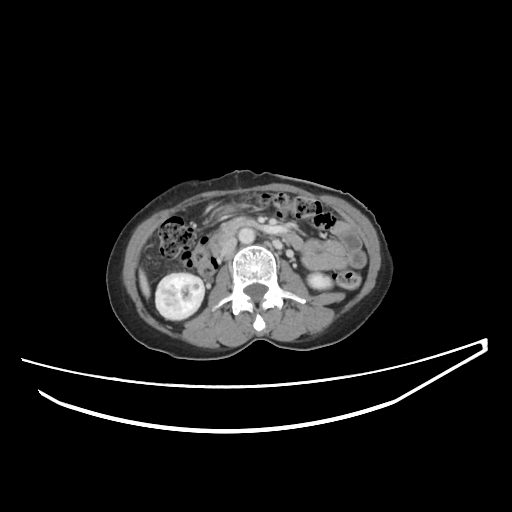
CT, abdomen/pelvis · axial plane, index 51 · Aquilion ONE scanner · 15 organs annotated in this scan (a whole-scan count: organs this slice does not pass through have no box)
Organ boxes in pixel coordinates; each row gives the top-left (x1, y1) and bottom-right (x2, y2) corners.
| organ | x1 | y1 | x2 | y2 |
|---|---|---|---|---|
| right kidney | 155 | 273 | 204 | 319 |
| left kidney | 308 | 273 | 332 | 289 |
| liver | 139 | 269 | 150 | 298 |
| stomach | 219 | 206 | 236 | 216 |
| aorta | 238 | 228 | 255 | 243 |
| inferior vena cava | 220 | 237 | 236 | 258 |
| pancreas | 220 | 218 | 258 | 233 |
| duodenum | 210 | 231 | 302 | 256 |